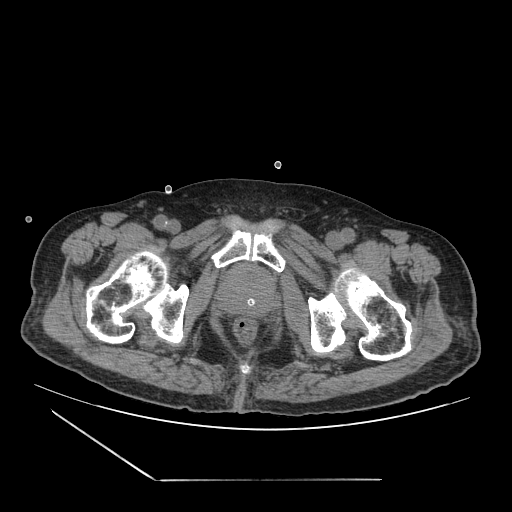 CT abdomen; axial plane, index 16; soft-tissue window (W 400 / L 40)
One row per box, in pixels: columns x1 and y1 give the top-left corner, x2 and y2 the bottom-right.
| organ | x1 | y1 | x2 | y2 |
|---|---|---|---|---|
| prostate/uterus | 216 | 264 | 276 | 316 |